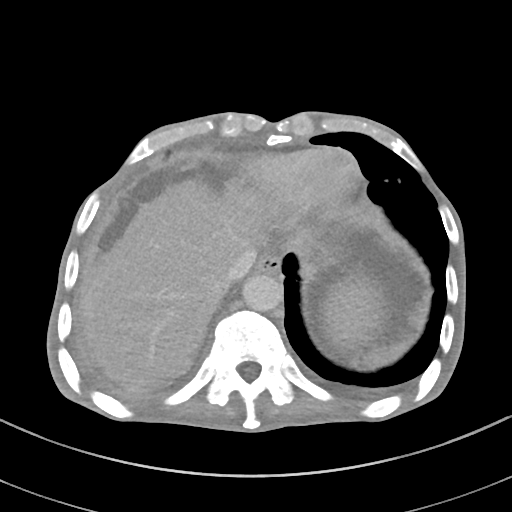 CT, abdomen/pelvis. Axial slice 81/92. 512x512 px. acquired on SOMATOM Force. scan has 15 labeled organs (counted over the whole 3D scan, not this slice; an organ is boxed only where this slice passes through it)
Coordinates as <box>x1,y1,x2,y2</box> in pixels.
Organ bounding boxes:
- spleen: <box>322,280,382,347</box>
- esophagus: <box>256,252,281,274</box>
- liver: <box>95,180,261,383</box>
- aorta: <box>242,273,283,311</box>
- inferior vena cava: <box>224,248,256,284</box>